CT, abdomen/pelvis · axial view · 50-year-old male patient
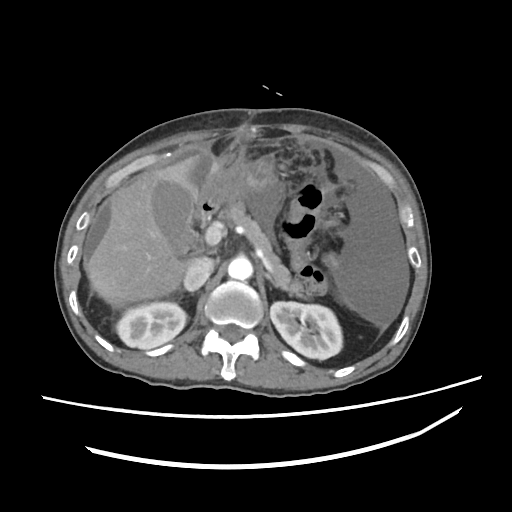

Each box given as x1,y1,x2,y2.
Organ bounding boxes:
- inferior vena cava: x1=183, y1=257, x2=213, y2=291
- left kidney: x1=270, y1=301, x2=342, y2=358
- stomach: x1=199, y1=156, x2=280, y2=212
- pancreas: x1=220, y1=202, x2=312, y2=302
- aorta: x1=228, y1=257, x2=254, y2=279
- liver: x1=85, y1=156, x2=201, y2=308
- duodenum: x1=200, y1=207, x2=211, y2=227
- right kidney: x1=115, y1=301, x2=187, y2=350
- left adrenal gland: x1=264, y1=273, x2=275, y2=285
- gall bladder: x1=151, y1=179, x2=197, y2=252